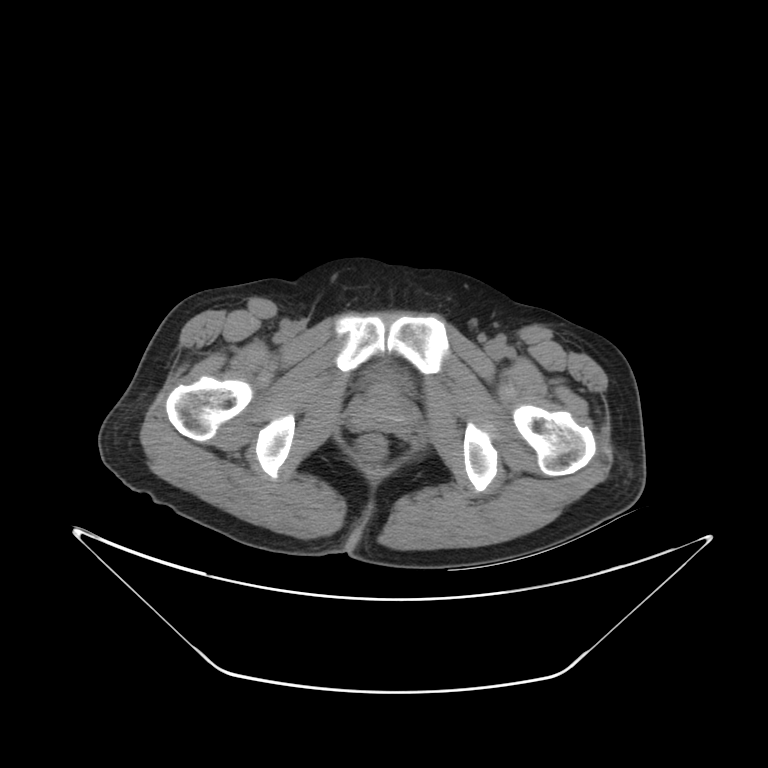 Abdominal CT; axial plane, index 7; abdomen soft-tissue window
{"organs":{"bladder":[359,360,416,396]}}